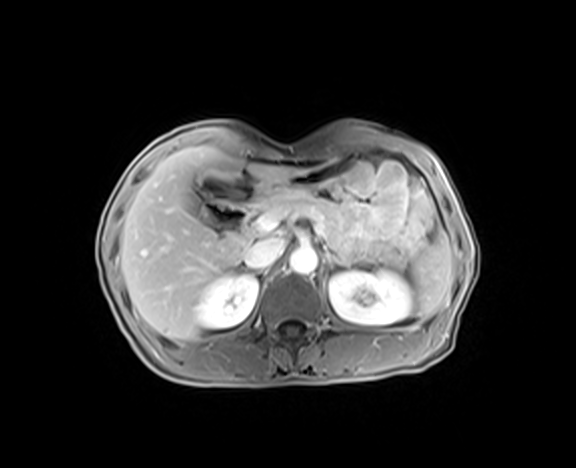
Abdominal MR — Axial slice 44/72 — percentile-normalized — 576x468 px — 13 organs annotated in this scan (counted over the whole 3D scan, not this slice; an organ is boxed only where this slice passes through it)
<organs><organ name="spleen" x1="412" y1="229" x2="452" y2="319"/><organ name="right kidney" x1="194" y1="274" x2="258" y2="329"/><organ name="left kidney" x1="329" y1="271" x2="413" y2="325"/><organ name="gall bladder" x1="189" y1="197" x2="215" y2="222"/><organ name="liver" x1="120" y1="145" x2="302" y2="339"/><organ name="stomach" x1="262" y1="160" x2="344" y2="194"/><organ name="aorta" x1="290" y1="247" x2="317" y2="274"/><organ name="inferior vena cava" x1="244" y1="237" x2="284" y2="268"/><organ name="pancreas" x1="254" y1="188" x2="407" y2="267"/><organ name="left adrenal gland" x1="326" y1="253" x2="350" y2="268"/><organ name="duodenum" x1="196" y1="177" x2="261" y2="227"/></organs>